Lower-chest slice from an abdominal CT, just above the liver and spleen · axial view · W/L 400/40 HU · 512x512 px
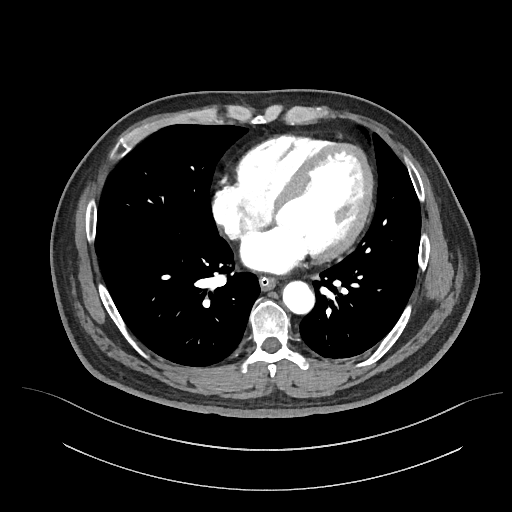 Of the structures in the chest, this dataset labels only the esophagus, the aorta and the inferior vena cava; the heart and lungs have no label.
Box edges are left/top/right/bottom in pixels.
Organ bounding boxes:
- esophagus: left=259, top=277, right=276, bottom=290
- aorta: left=283, top=281, right=314, bottom=314